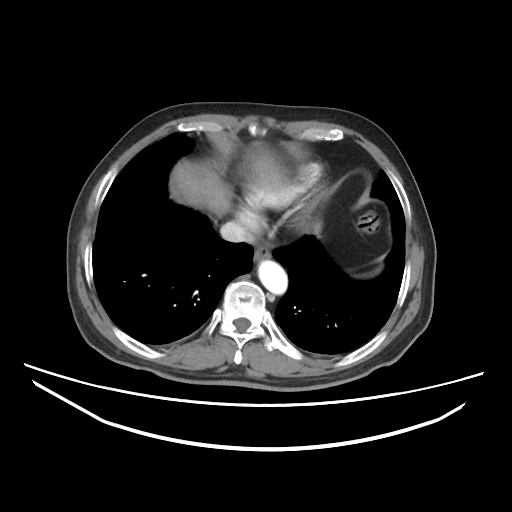
CT, abdomen/pelvis · axial view · 58-year-old male patient · acquired on Aquilion ONE
Organ boxes in pixel coordinates; each row gives the top-left (x1, y1) and bottom-right (x2, y2) corners.
| organ | x1 | y1 | x2 | y2 |
|---|---|---|---|---|
| liver | 171 | 154 | 277 | 215 |
| esophagus | 253 | 245 | 271 | 262 |
| inferior vena cava | 220 | 221 | 254 | 243 |
| aorta | 258 | 260 | 287 | 294 |